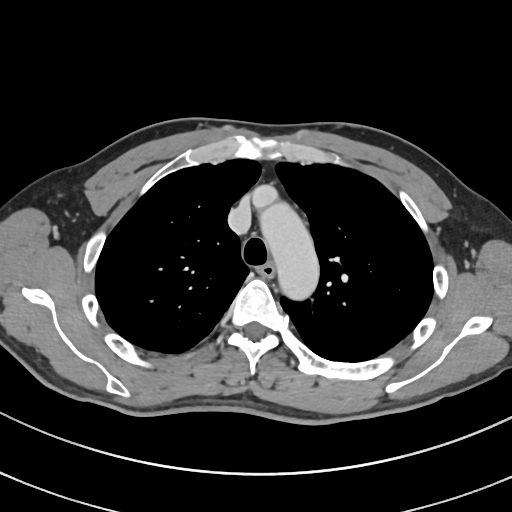

CT of the abdomen extending into the chest, slice through the chest — axial view — W/L 400/40 HU
At this level of the chest this dataset labels only the esophagus and the aorta, and each is boxed only where it is labeled; the heart and lungs are never labeled.
One row per box, in pixels: columns x1 and y1 give the top-left corner, x2 and y2 the bottom-right.
| organ | x1 | y1 | x2 | y2 |
|---|---|---|---|---|
| esophagus | 258 | 261 | 275 | 277 |
| aorta | 262 | 204 | 317 | 296 |